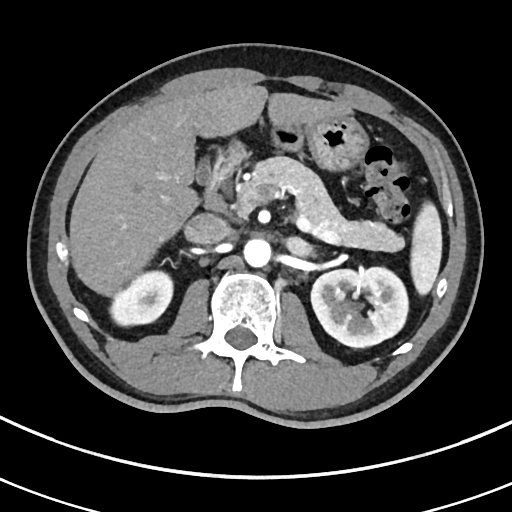
CT abdomen; Axial slice 143/302; abdomen soft-tissue window; 512x512 px
Boxes: x1 y1 x2 y2 (pixel coords, space-separated). 10 labeled organs on this slice — spleen at 410 202 442 297; right kidney at 111 272 172 325; left kidney at 311 269 406 347; gall bladder at 193 160 210 185; liver at 69 84 354 298; stomach at 276 118 370 171; aorta at 243 238 272 268; inferior vena cava at 186 212 232 245; pancreas at 242 157 403 251; duodenum at 207 144 245 193.